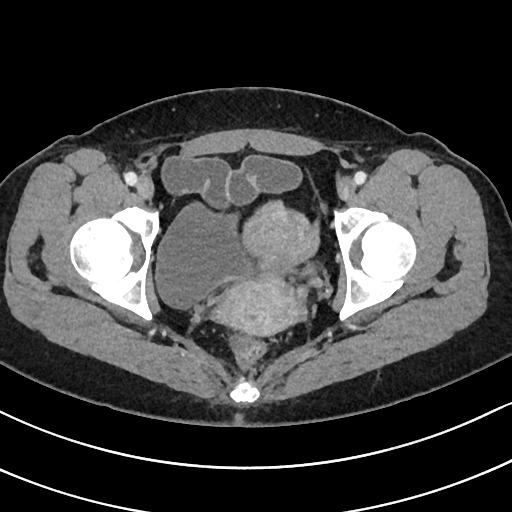
Computed tomography, abdomen; axial view; soft-tissue window (W 400 / L 40); scan has 15 labeled organs (counted over the whole 3D scan, not this slice; an organ is boxed only where this slice passes through it)
Organ boxes in pixel coordinates; each row gives the top-left (x1, y1) and bottom-right (x2, y2) corners.
| organ | x1 | y1 | x2 | y2 |
|---|---|---|---|---|
| bladder | 156 | 201 | 254 | 307 |
| prostate/uterus | 214 | 202 | 319 | 335 |